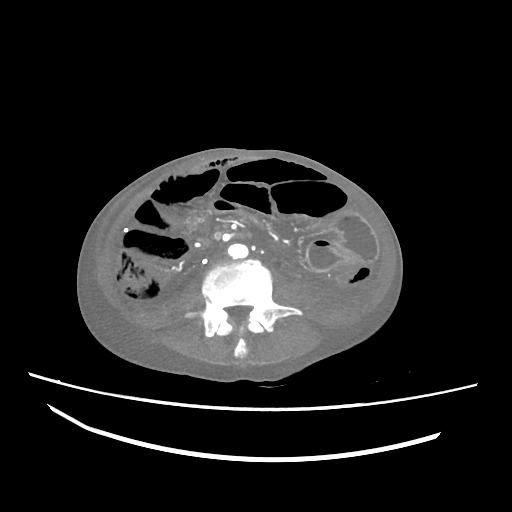

CT, abdomen/pelvis · Axial slice 48/123 · soft-tissue window (W 400 / L 40) · acquired on Aquilion ONE
Organ boxes in pixel coordinates; each row gives the top-left (x1, y1) and bottom-right (x2, y2) corners.
| organ | x1 | y1 | x2 | y2 |
|---|---|---|---|---|
| aorta | 228 | 243 | 248 | 258 |